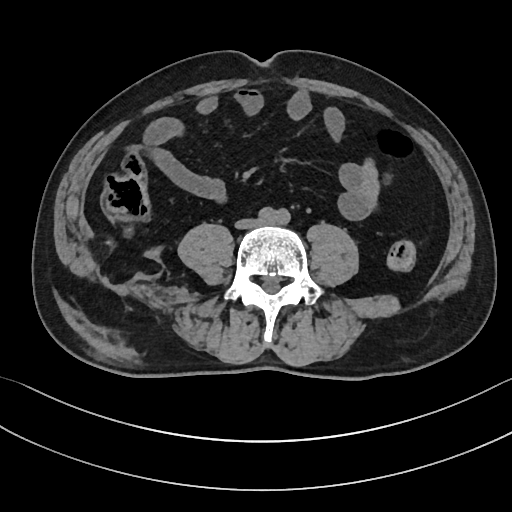
Abdominal CT. axial view. 512x512 px. acquired on SOMATOM Force
{"organs":{"inferior vena cava":[236,219,260,228]}}